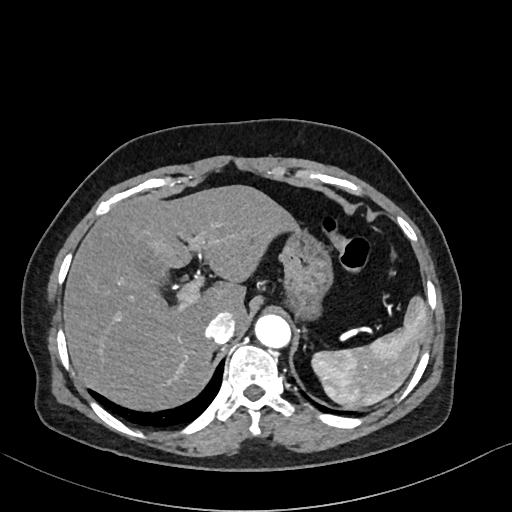
CT abdomen; Axial slice 179/222; soft-tissue window (W 400 / L 40); 512x512 px
One row per box, in pixels: columns x1 and y1 give the top-left corner, x2 and y2 the bottom-right.
| organ | x1 | y1 | x2 | y2 |
|---|---|---|---|---|
| spleen | 312 | 296 | 428 | 408 |
| gall bladder | 138 | 253 | 165 | 278 |
| liver | 63 | 184 | 297 | 410 |
| stomach | 279 | 226 | 333 | 319 |
| aorta | 254 | 314 | 290 | 347 |
| inferior vena cava | 205 | 312 | 235 | 343 |